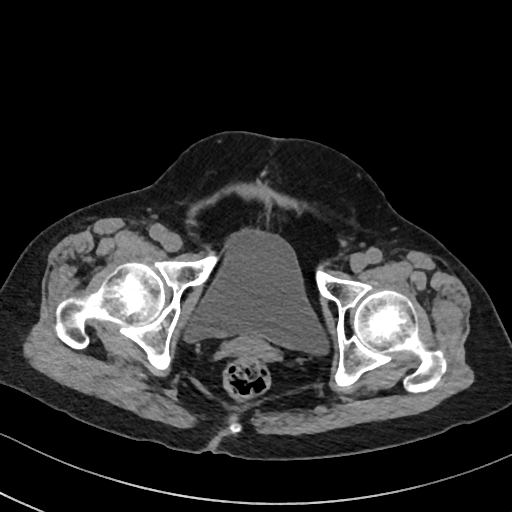
CT, abdomen/pelvis; axial view; 512x512 px
Boxes: x1 y1 x2 y2 (pixel coords, space-separated).
bladder: 185 230 325 352
prostate/uterus: 226 336 270 358